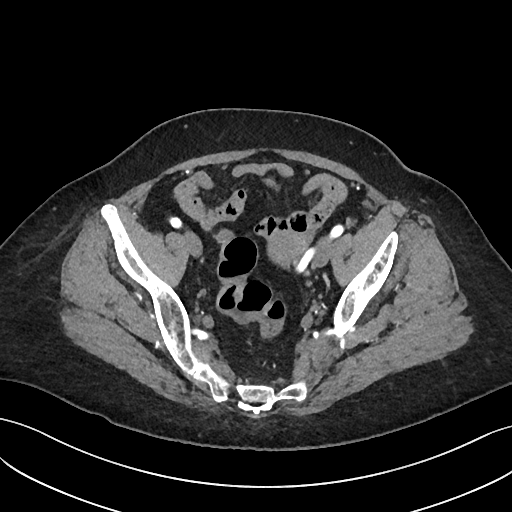 CT abdomen. axial view. 512x512 px
{"organs":{"prostate/uterus":[269,229,306,262]}}